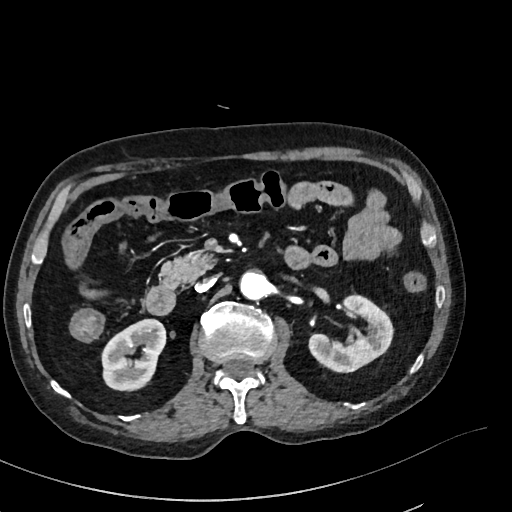

Abdominal CT · axial plane, index 149 · abdomen soft-tissue window · acquired on SOMATOM Force · 15 organs annotated in this scan (counted over the whole 3D scan, not this slice; an organ is boxed only where this slice passes through it)
{"organs":{"right kidney":[102,320,165,389],"inferior vena cava":[196,277,215,291],"duodenum":[144,284,175,315],"left kidney":[310,294,393,371],"pancreas":[160,252,216,286],"aorta":[240,270,268,299]}}